CT, abdomen/pelvis · axial view · W/L 400/40 HU · 43-year-old female patient
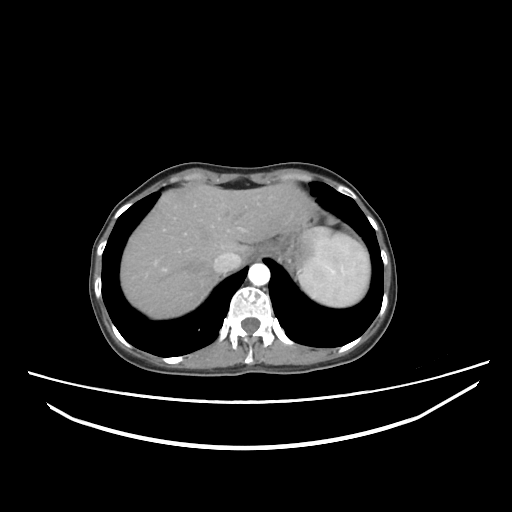
{"organs":{"spleen":[298,228,370,307],"esophagus":[255,243,268,256],"liver":[120,183,329,319],"stomach":[264,213,317,266],"aorta":[248,263,270,285],"inferior vena cava":[213,252,241,273]}}